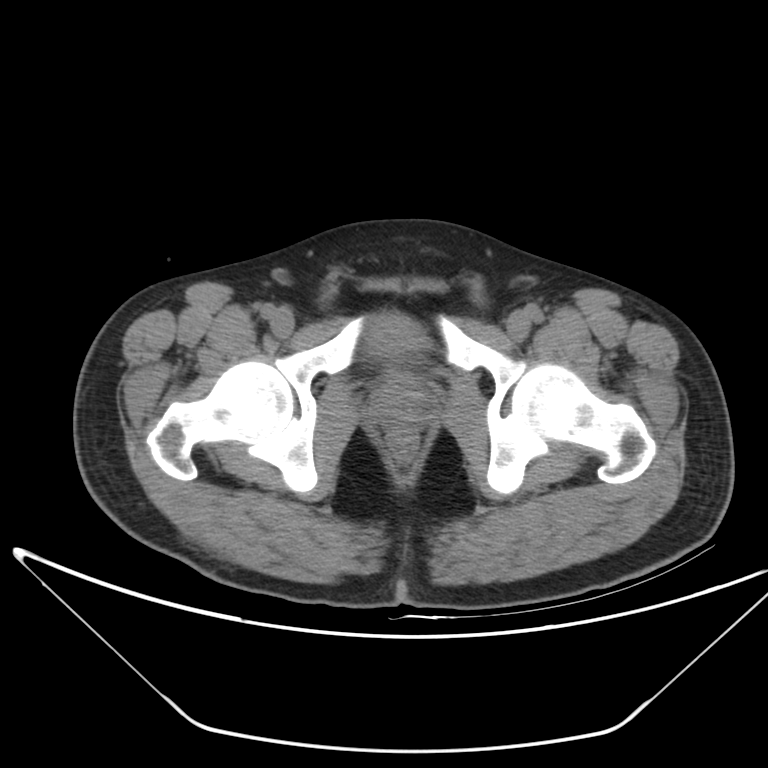

Computed tomography, abdomen; axial view; abdomen soft-tissue window; 42-year-old male patient
Bounding boxes as [x1, y1, x2, y2] in pixel coordinates.
Organ bounding boxes:
- bladder: [362, 315, 426, 362]
- prostate/uterus: [371, 378, 433, 433]